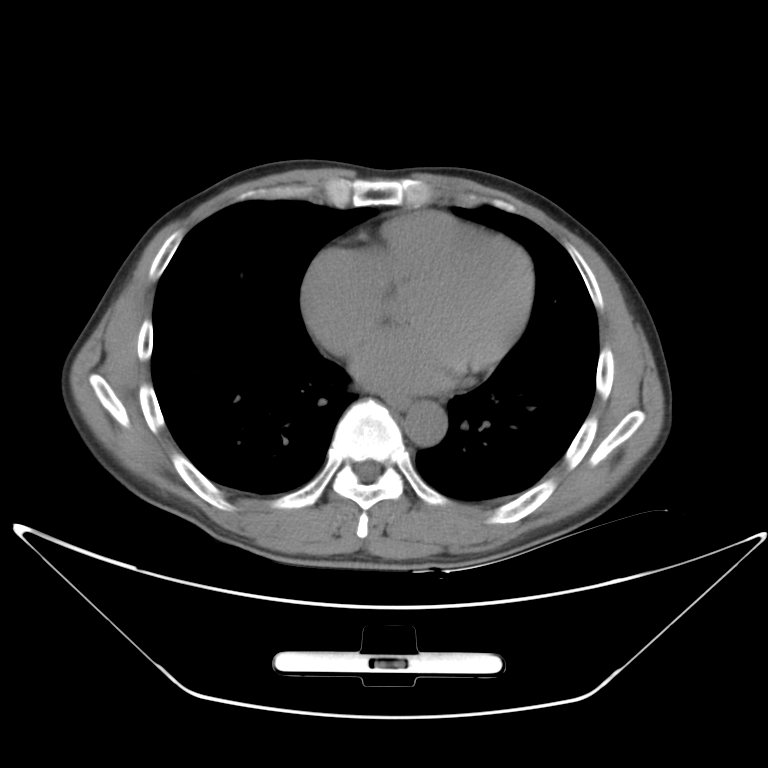

Lower-chest slice from an abdominal CT, just above the liver and spleen; axial view; 768x768 px; 51-year-old male patient
The heart and lungs are never labeled in this dataset, so they have no box on this slice.
{"organs":{"esophagus":[382,398,411,408],"aorta":[404,403,451,443]}}